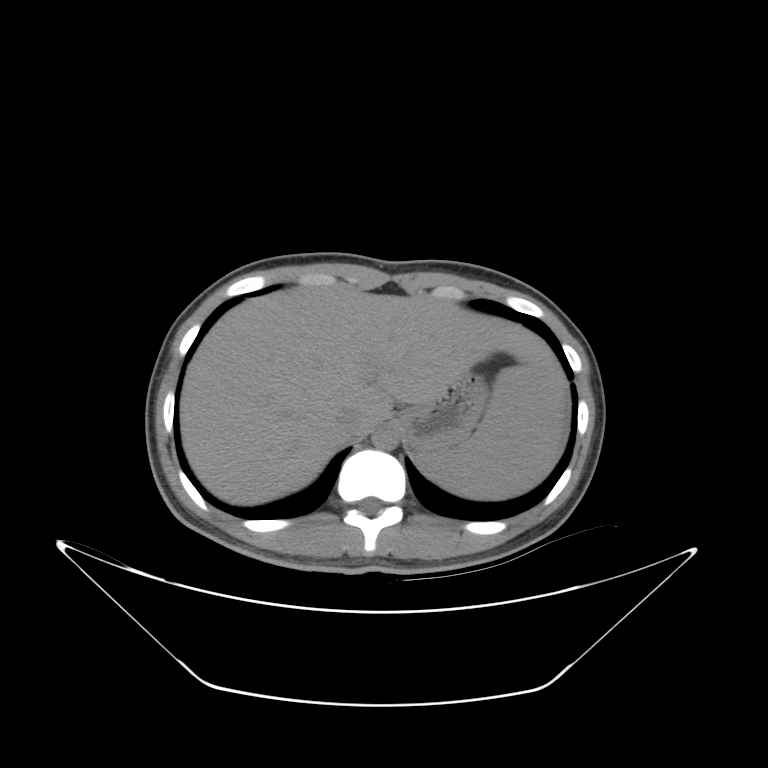

CT, abdomen/pelvis — axial view — 768x768 px — Brilliance16 scanner
Organ boxes in pixel coordinates; each row gives the top-left (x1, y1) and bottom-right (x2, y2) corners.
| organ | x1 | y1 | x2 | y2 |
|---|---|---|---|---|
| spleen | 411 | 363 | 563 | 501 |
| liver | 181 | 281 | 566 | 505 |
| stomach | 398 | 374 | 485 | 447 |
| aorta | 373 | 423 | 400 | 450 |
| inferior vena cava | 334 | 407 | 360 | 443 |